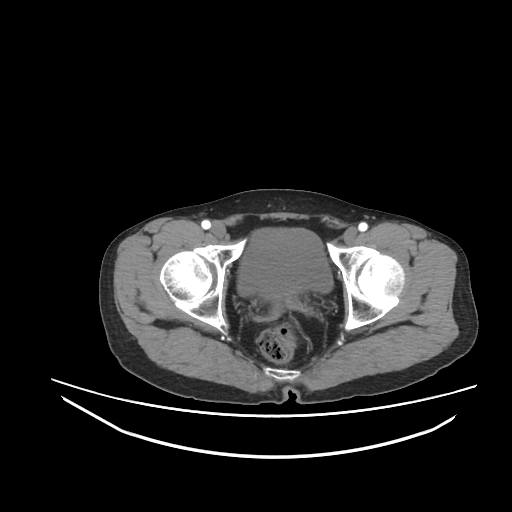
Abdominal CT — axial plane, index 19 — 512x512 px — 52-year-old male patient
<organs><organ name="bladder" x1="238" y1="228" x2="332" y2="298"/></organs>